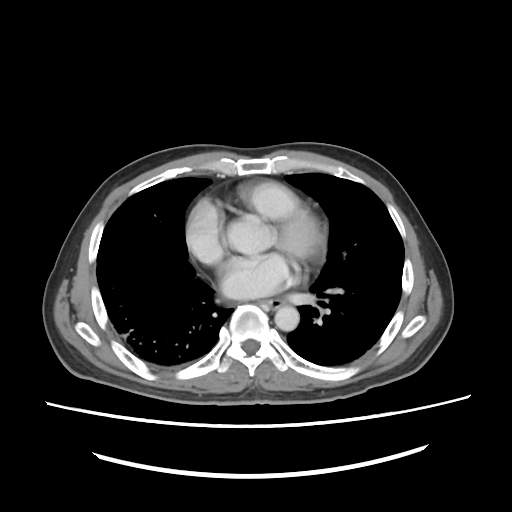 CT of the abdomen reaching into the lower chest, slice just above the liver and spleen; axial plane, index 93; soft-tissue window, W/L 400/40; 45-year-old male patient
No part of the heart or lungs is labeled in this dataset, so neither has a box here.
Boxes: x1 y1 x2 y2 (pixel coords, space-separated).
esophagus: 265 298 281 307
aorta: 274 307 300 331